CT abdomen; axial view
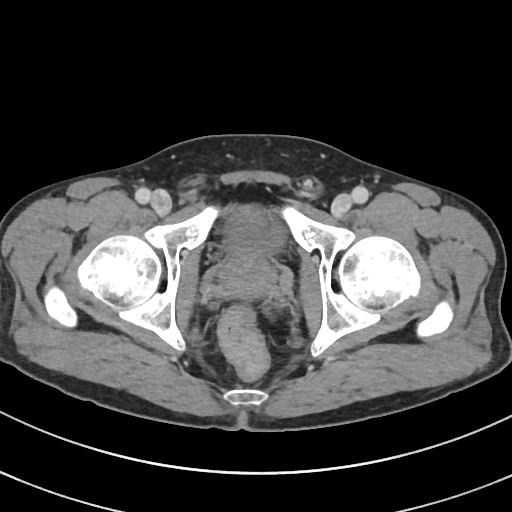

Each box given as x1,y1,x2,y2.
Organ bounding boxes:
- prostate/uterus: x1=219, y1=249, x2=277, y2=295
- bladder: x1=224, y1=208, x2=280, y2=251